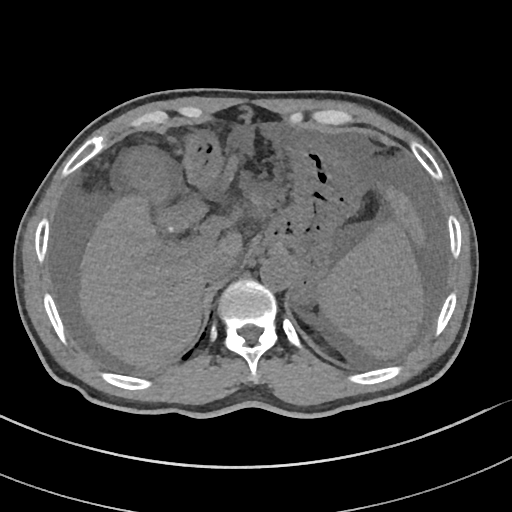 Computed tomography, abdomen — axial view — soft-tissue window
Boxes: x1:y1:x2:y2 in pixels.
spleen: 319:220:422:357
gall bladder: 122:150:205:232
liver: 79:181:423:366
stomach: 185:135:365:303
aorta: 260:257:294:290
inferior vena cava: 203:254:236:283